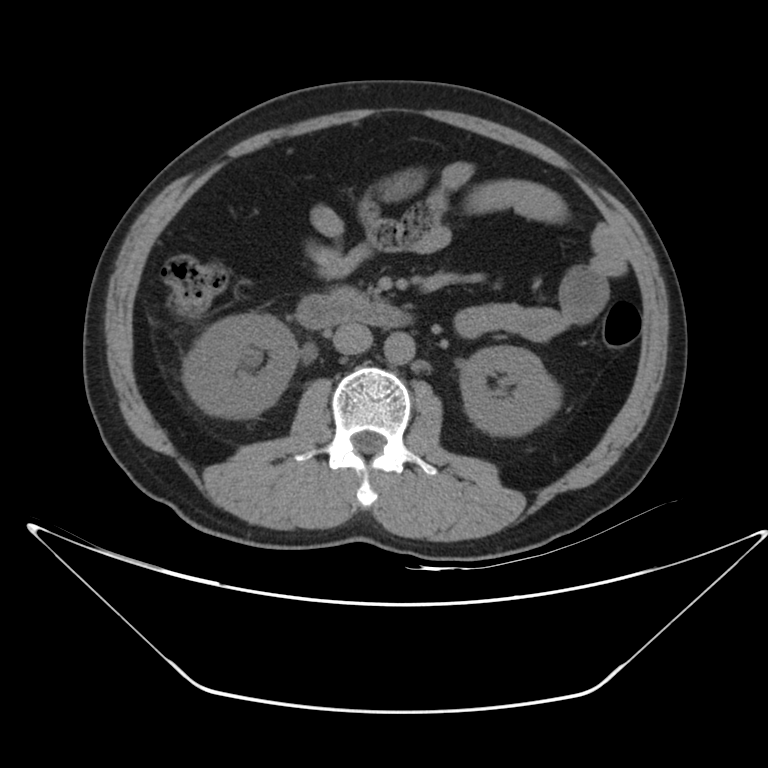
CT, abdomen/pelvis. axial plane, index 57. 768x768 px. 45-year-old male patient. 15 organs annotated in this scan (that count is for the whole scan; organs this slice misses have no box)
<organs><organ name="right kidney" x1="182" y1="313" x2="297" y2="418"/><organ name="left kidney" x1="461" y1="345" x2="561" y2="434"/><organ name="aorta" x1="384" y1="333" x2="415" y2="365"/><organ name="inferior vena cava" x1="333" y1="323" x2="372" y2="354"/><organ name="pancreas" x1="333" y1="287" x2="358" y2="297"/><organ name="duodenum" x1="296" y1="294" x2="412" y2="329"/></organs>